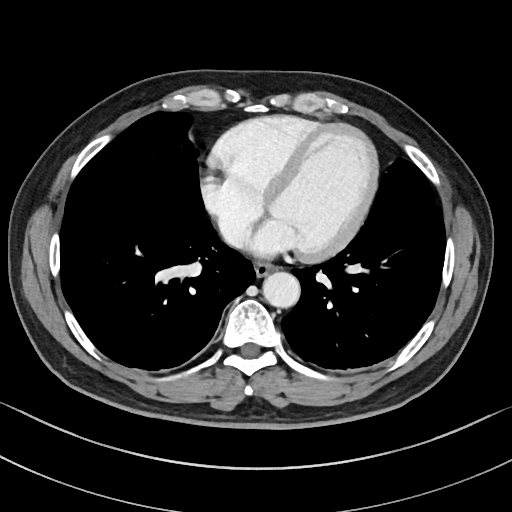

Lower-chest slice from an abdominal CT, just above the liver and spleen. axial view. soft-tissue window, W/L 400/40. scan has 15 labeled organs (a whole-scan count: organs this slice does not pass through have no box)
No part of the heart or lungs is labeled in this dataset, so neither has a box here.
One row per box, in pixels: columns x1 and y1 give the top-left corner, x2 and y2 the bottom-right.
| organ | x1 | y1 | x2 | y2 |
|---|---|---|---|---|
| esophagus | 254 | 263 | 275 | 277 |
| aorta | 263 | 272 | 300 | 308 |